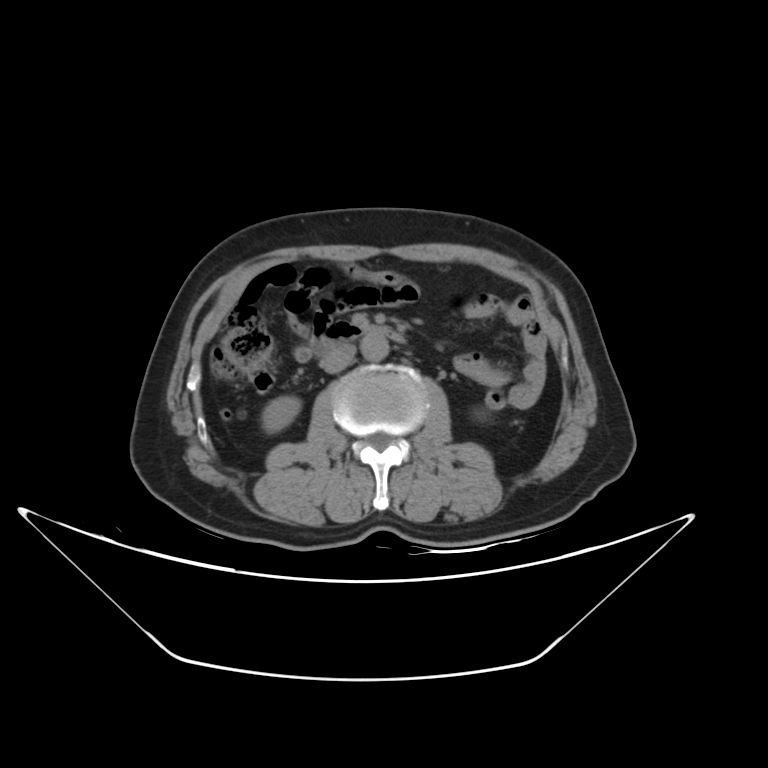

Computed tomography, abdomen — axial plane, index 65 — soft-tissue window (W 400 / L 40) — 71-year-old male patient
Box edges are left/top/right/bottom in pixels. The annotated organs in this slice are: right kidney at left=262, top=398, right=300, bottom=432, left kidney at left=470, top=405, right=495, bottom=426, aorta at left=362, top=334, right=388, bottom=361, inferior vena cava at left=326, top=344, right=356, bottom=372, duodenum at left=309, top=325, right=406, bottom=357.